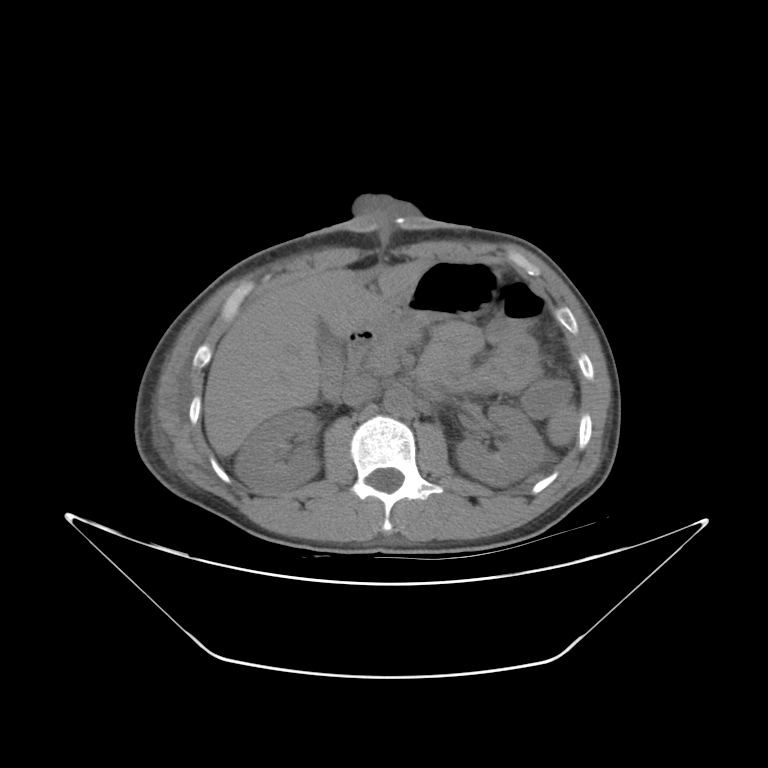 CT abdomen; axial view; 768x768 px; 15 organs annotated in this scan (that count is for the whole scan; organs this slice misses have no box)
One row per box, in pixels: columns x1 and y1 give the top-left corner, x2 and y2 the bottom-right.
| organ | x1 | y1 | x2 | y2 |
|---|---|---|---|---|
| spleen | 547 | 405 | 577 | 446 |
| right kidney | 235 | 409 | 319 | 494 |
| left kidney | 456 | 405 | 546 | 485 |
| gall bladder | 318 | 330 | 341 | 397 |
| liver | 204 | 260 | 428 | 456 |
| stomach | 365 | 259 | 501 | 335 |
| aorta | 383 | 386 | 411 | 413 |
| inferior vena cava | 342 | 375 | 379 | 406 |
| pancreas | 363 | 330 | 420 | 374 |
| duodenum | 344 | 326 | 376 | 377 |